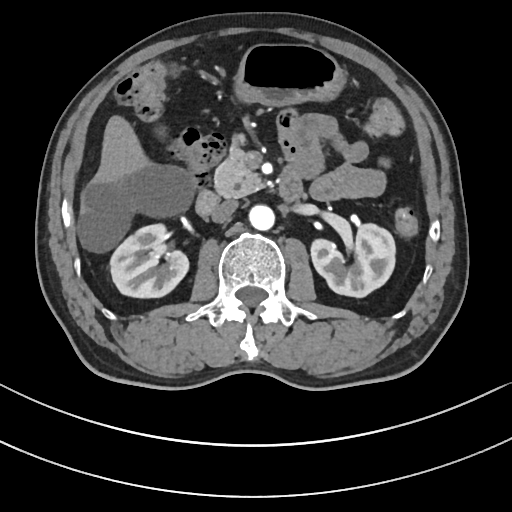

CT abdomen; axial view; soft-tissue window (W 400 / L 40)
{"organs":{"aorta":[249,205,274,230],"pancreas":[214,135,263,197],"duodenum":[196,165,302,215],"liver":[80,115,193,251],"left kidney":[311,224,395,297],"inferior vena cava":[210,200,238,222],"right kidney":[110,224,188,298],"stomach":[234,43,345,106]}}